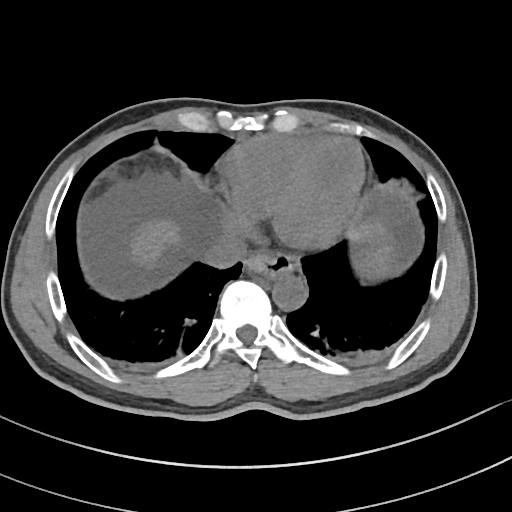 CT, abdomen/pelvis; Axial slice 194/206; soft-tissue window
Boxes: x1:y1:x2:y2 in pixels.
esophagus: 244:254:297:279
liver: 130:215:394:272
aorta: 273:275:307:311
inferior vena cava: 205:231:246:267